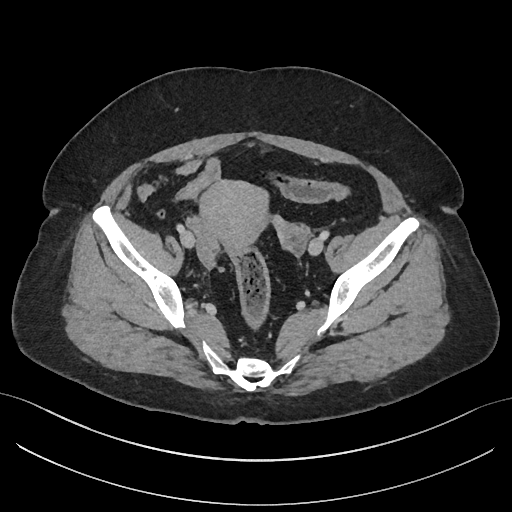

CT abdomen · axial view
{"organs":{"prostate/uterus":[199,180,268,247]}}